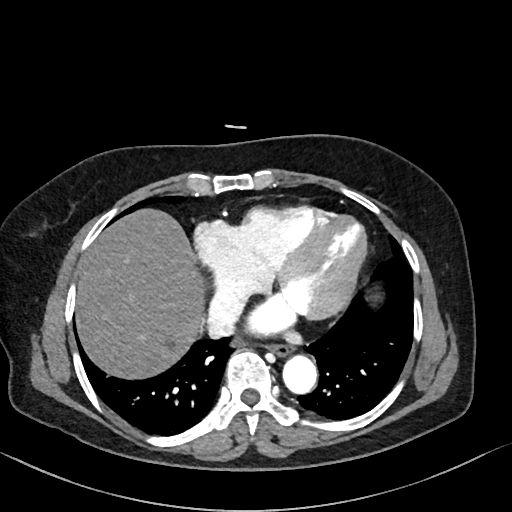

CT, abdomen/pelvis. Axial slice 201/222. 512x512 px
Box edges are left/top/right/bottom in pixels.
Organ bounding boxes:
- esophagus: left=270, top=345, right=292, bottom=357
- liver: left=76, top=208, right=204, bottom=378
- aorta: left=283, top=355, right=317, bottom=394
- inferior vena cava: left=208, top=286, right=250, bottom=337